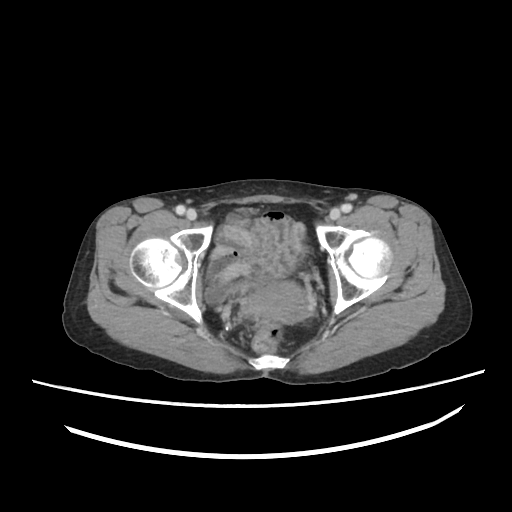
CT, abdomen/pelvis — axial view — soft-tissue window — 68-year-old female patient
<organs><organ name="prostate/uterus" x1="248" y1="280" x2="309" y2="323"/></organs>